Computed tomography, abdomen · axial view · 34-year-old female patient · scan has 15 labeled organs (counted over the whole 3D scan, not this slice; an organ is boxed only where this slice passes through it)
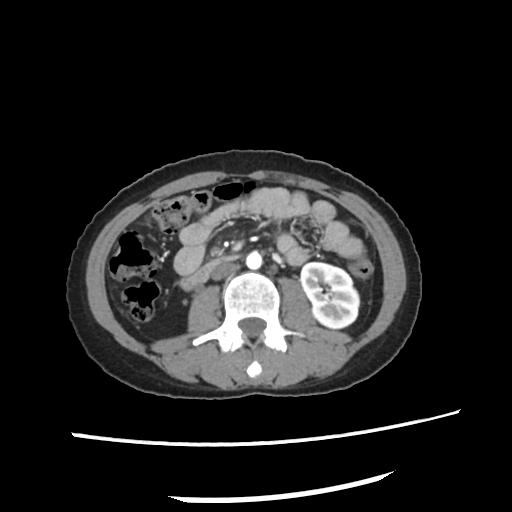
<organs><organ name="left kidney" x1="301" y1="263" x2="358" y2="328"/><organ name="aorta" x1="247" y1="252" x2="261" y2="268"/><organ name="inferior vena cava" x1="211" y1="263" x2="238" y2="280"/><organ name="duodenum" x1="182" y1="256" x2="238" y2="290"/></organs>